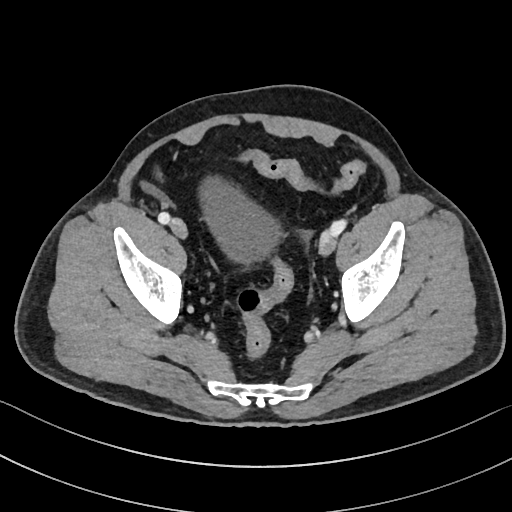 Abdominal CT; axial plane, index 50; 512x512 px
Coordinates as <box>x1,y1,x2,y2</box> in pixels. Labeled organs on this slice: bladder at <box>202,179,277,262</box>.